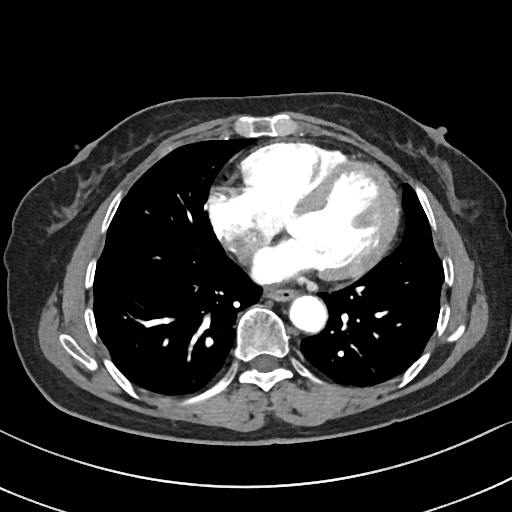

Lower-chest slice from an abdominal CT, just above the liver and spleen. axial view. 512x512 px
No part of the heart or lungs is labeled in this dataset, so neither has a box here.
<organs><organ name="esophagus" x1="263" y1="289" x2="297" y2="302"/><organ name="aorta" x1="290" y1="296" x2="327" y2="334"/></organs>